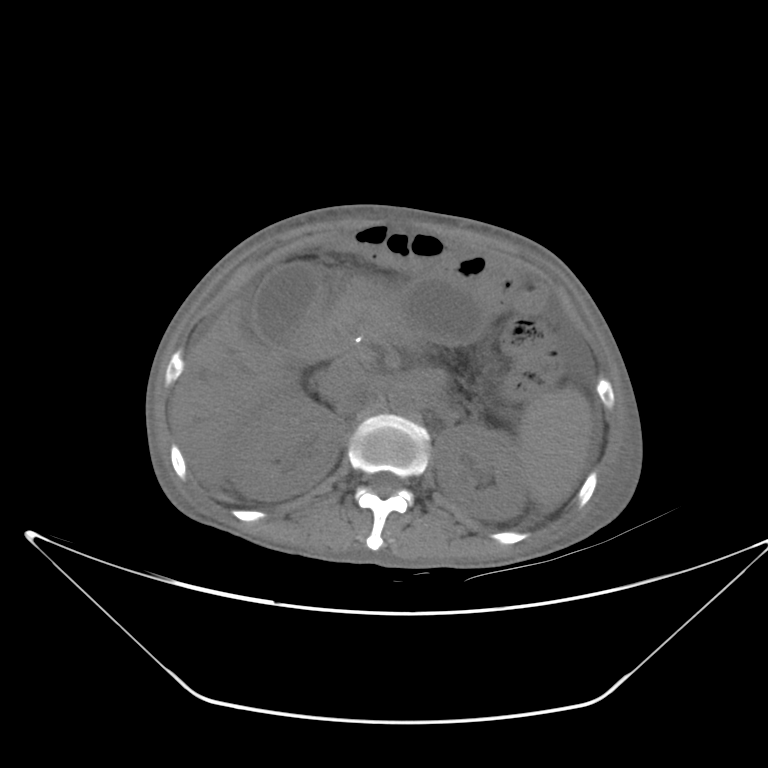 Abdominal CT; Axial slice 71/105; 768x768 px; 56-year-old female patient
<organs><organ name="duodenum" x1="289" y1="297" x2="334" y2="361"/><organ name="inferior vena cava" x1="326" y1="367" x2="375" y2="413"/><organ name="gall bladder" x1="253" y1="262" x2="324" y2="345"/><organ name="spleen" x1="518" y1="387" x2="592" y2="510"/><organ name="stomach" x1="403" y1="271" x2="489" y2="344"/><organ name="pancreas" x1="331" y1="282" x2="406" y2="344"/><organ name="liver" x1="169" y1="299" x2="293" y2="482"/><organ name="right kidney" x1="228" y1="394" x2="345" y2="500"/><organ name="aorta" x1="388" y1="383" x2="421" y2="414"/><organ name="left kidney" x1="434" y1="423" x2="528" y2="520"/></organs>